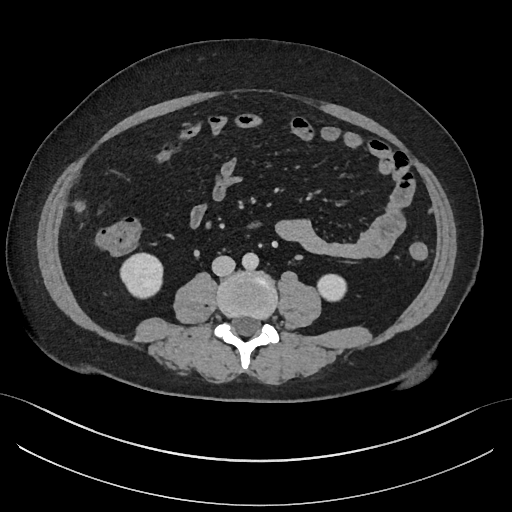
Abdominal CT — axial view — soft-tissue window (W 400 / L 40) — scan has 15 labeled organs (counted over the whole 3D scan, not this slice; an organ is boxed only where this slice passes through it)
Bounding boxes as [x1, y1, x2, y2] in pixel coordinates. Labeled organs on this slice: aorta at [242, 252, 259, 269], inferior vena cava at [212, 255, 235, 276], right kidney at [121, 253, 162, 297], left kidney at [318, 276, 345, 301].